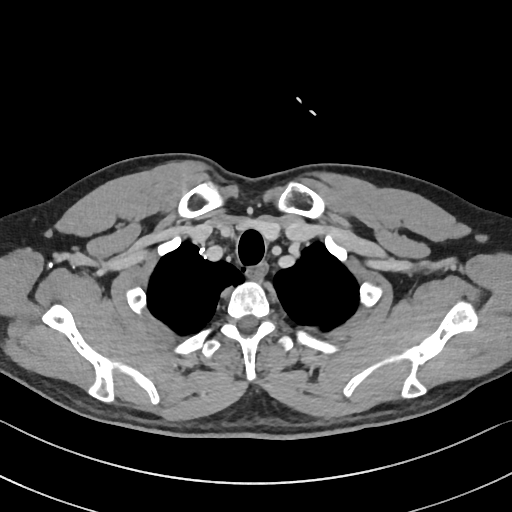 Chest-level CT slice, above the liver and spleen; axial view; scan has 15 labeled organs (that count is for the whole scan; organs this slice misses have no box)
At this level of the chest no structure but the esophagus and the aorta has a label in this dataset, and those two are boxed only where they are labeled.
{"organs":{"esophagus":[246,263,267,281]}}